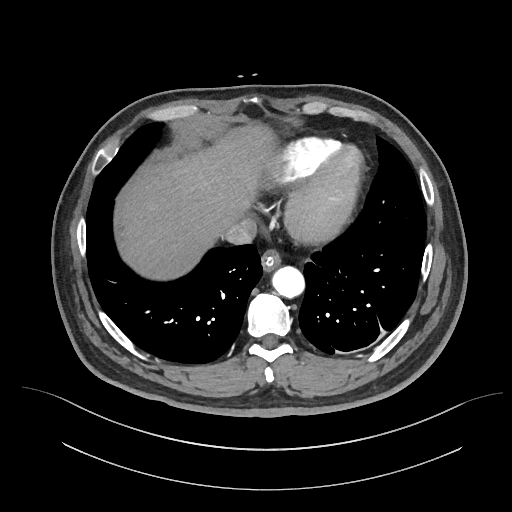
Computed tomography, abdomen. axial view. soft-tissue window. 512x512 px. 15 organs annotated in this scan (that count is for the whole scan; organs this slice misses have no box)
Organ boxes in pixel coordinates; each row gives the top-left (x1, y1) and bottom-right (x2, y2) corners.
| organ | x1 | y1 | x2 | y2 |
|---|---|---|---|---|
| esophagus | 261 | 250 | 280 | 273 |
| liver | 116 | 125 | 273 | 278 |
| aorta | 273 | 267 | 305 | 298 |
| inferior vena cava | 225 | 217 | 258 | 244 |